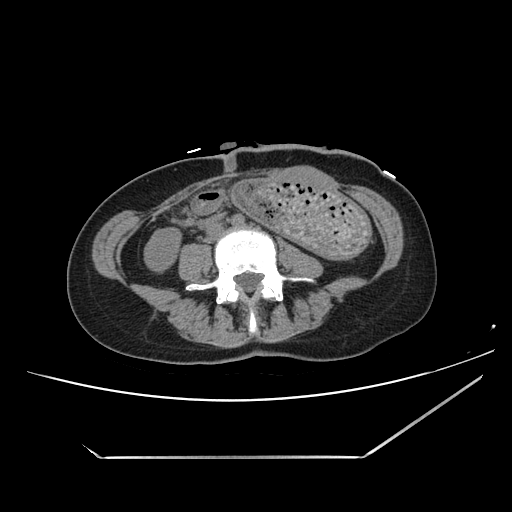

CT, abdomen/pelvis · axial view · W/L 400/40 HU
Box edges are left/top/right/bottom in pixels.
right kidney: left=144, top=228, right=181, bottom=273
stomach: left=230, top=179, right=372, bottom=257